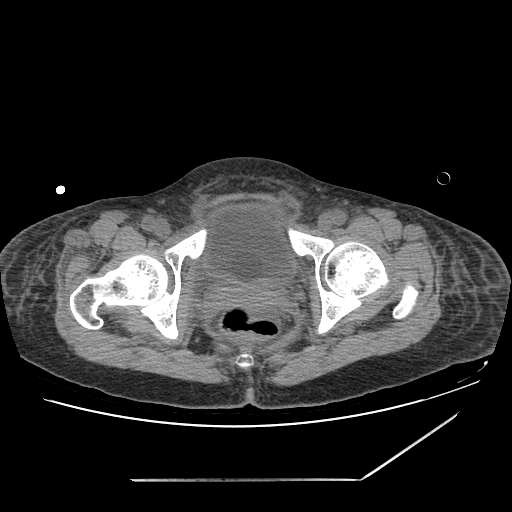
CT abdomen · axial view · scan has 15 labeled organs (counted over the whole 3D scan, not this slice; an organ is boxed only where this slice passes through it)
Boxes: x1 y1 x2 y2 (pixel coords, space-separated).
bladder: 203 204 296 286